Abdominal CT. axial plane, index 52. abdomen soft-tissue window. 66-year-old female patient. acquired on Brilliance16. 15 organs annotated in this scan (a whole-scan count: organs this slice does not pass through have no box)
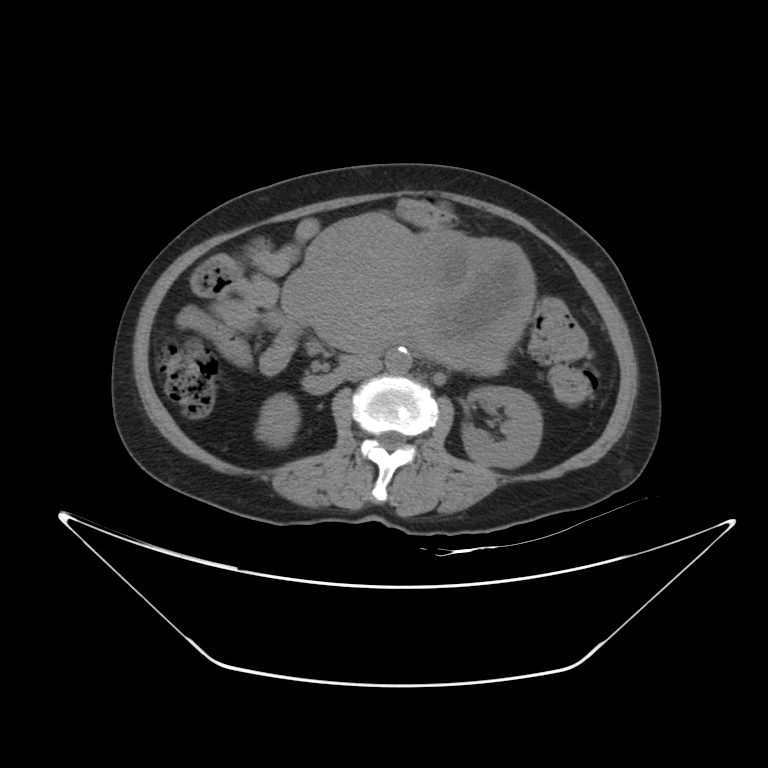
Organ boxes in pixel coordinates; each row gives the top-left (x1, y1) and bottom-right (x2, y2) corners.
| organ | x1 | y1 | x2 | y2 |
|---|---|---|---|---|
| right kidney | 256 | 394 | 300 | 447 |
| left kidney | 462 | 386 | 542 | 467 |
| stomach | 282 | 216 | 533 | 375 |
| aorta | 385 | 348 | 412 | 373 |
| inferior vena cava | 347 | 357 | 381 | 381 |
| duodenum | 302 | 352 | 354 | 394 |